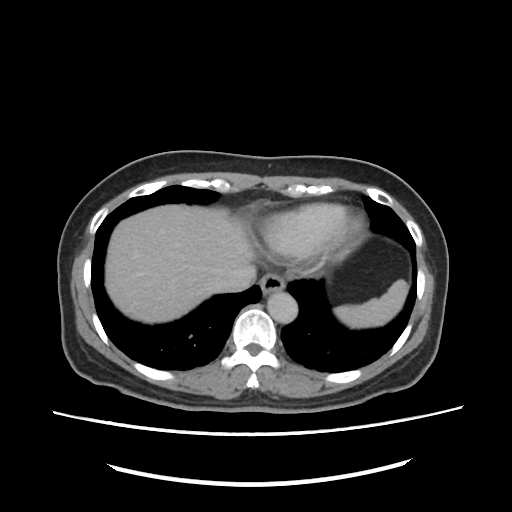
CT, abdomen/pelvis — axial view — 512x512 px — scan has 15 labeled organs (counted over the whole 3D scan, not this slice; an organ is boxed only where this slice passes through it)
Bounding boxes as [x1, y1, x2, y2] in pixel coordinates.
aorta: [266, 292, 298, 323]
inferior vena cava: [214, 265, 256, 291]
liver: [105, 206, 252, 322]
esophagus: [260, 275, 282, 295]
spleen: [333, 280, 408, 327]